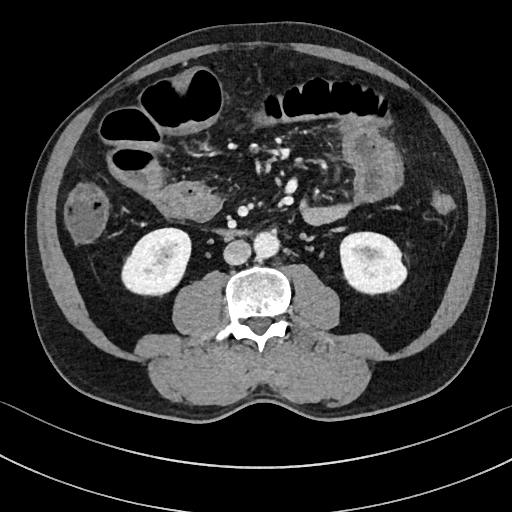

Computed tomography, abdomen — axial view — 512x512 px
{"organs":{"duodenum":[215,228,245,234],"right kidney":[123,229,190,294],"aorta":[253,231,279,257],"inferior vena cava":[223,240,250,264],"left kidney":[339,232,407,292]}}